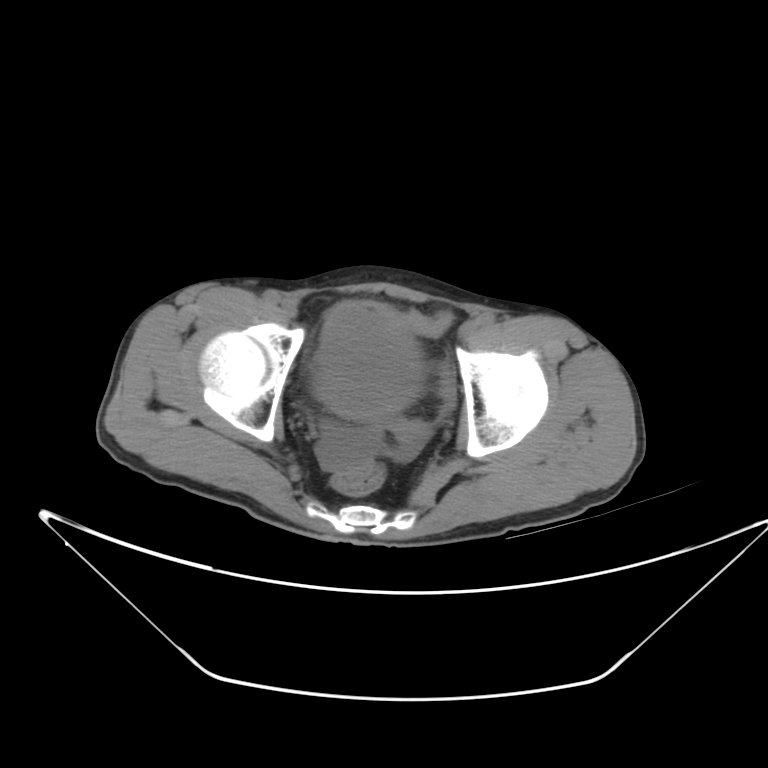

Computed tomography, abdomen — Axial slice 20/96 — soft-tissue window (W 400 / L 40) — 768x768 px — acquired on Brilliance16
{"organs":{"bladder":[314,299,418,417]}}